CT of the abdomen extending into the chest, slice through the chest; Axial slice 300/307; soft-tissue window, W/L 400/40; 512x512 px; SOMATOM Force scanner
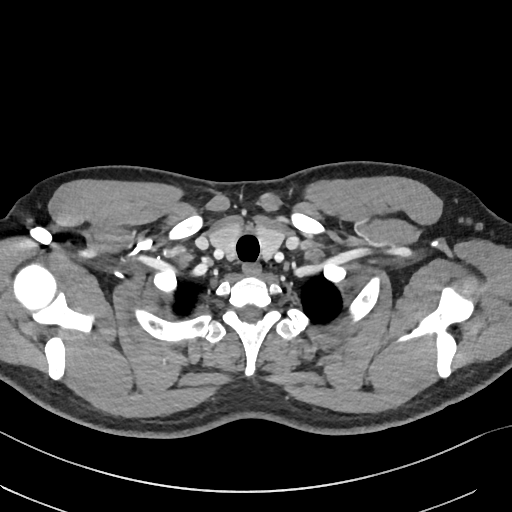

On a slice this high in the chest, this dataset labels only the esophagus and the aorta, and each is boxed only where it is labeled; the heart, lungs and other chest structures are not labeled.
{"organs":{"esophagus":[242,262,260,273]}}